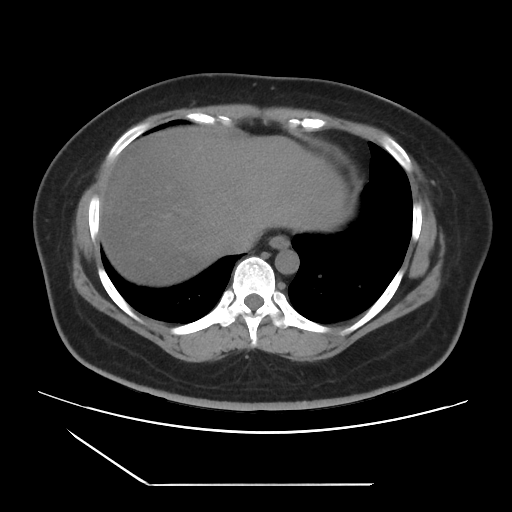
Abdominal CT — axial view — 512x512 px — scan has 15 labeled organs (a whole-scan count: organs this slice does not pass through have no box)
Boxes: x1 y1 x2 y2 (pixel coords, space-separated).
Organ bounding boxes:
- liver: 101 128 348 286
- inferior vena cava: 225 227 261 252
- aorta: 275 249 299 273
- esophagus: 269 235 289 249